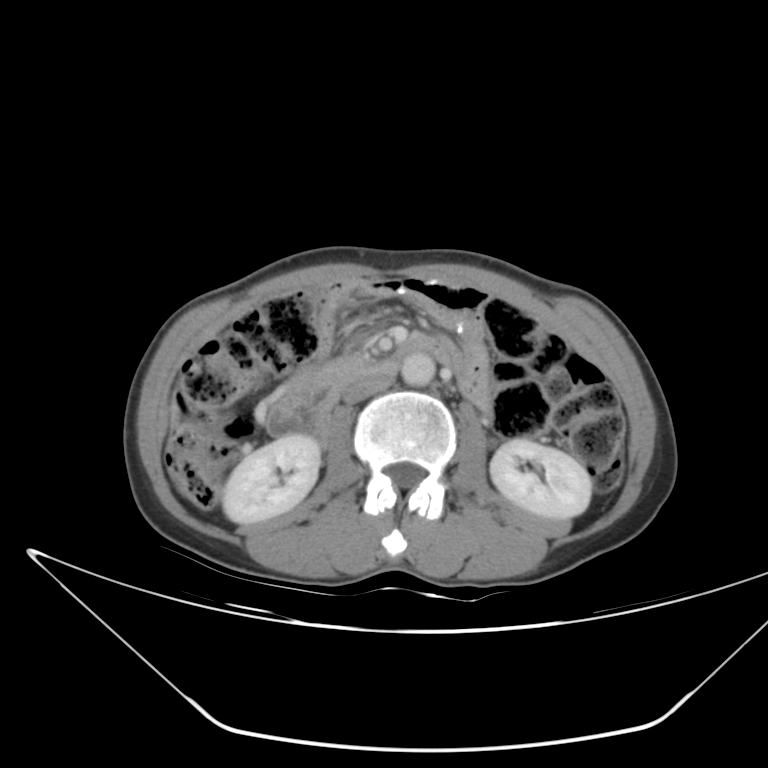
Abdominal CT; axial view; Brilliance16 scanner; 13 organs annotated in this scan (a whole-scan count: organs this slice does not pass through have no box)
Each box given as x1,y1,x2,y2.
left kidney: x1=489, y1=438, x2=589, y2=519
inferior vena cava: x1=343, y1=376, x2=394, y2=404
duodenum: x1=269, y1=330, x2=453, y2=441
right kidney: x1=223, y1=432, x2=320, y2=523
aorta: x1=401, y1=353, x2=435, y2=387
pancreas: x1=308, y1=356, x2=365, y2=413